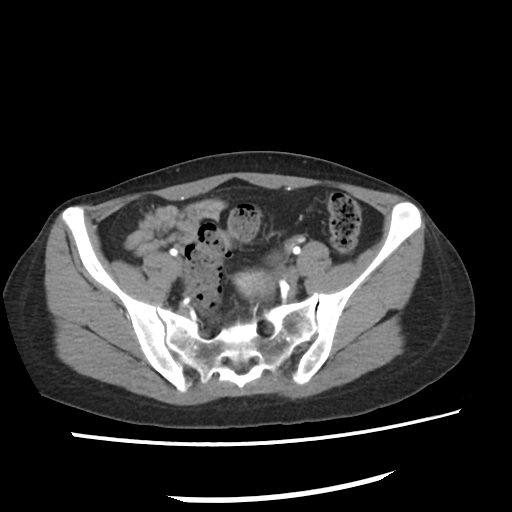

CT abdomen · axial view · 512x512 px
Boxes: x1:y1:x2:y2 in pixels.
Organ bounding boxes:
- prostate/uterus: 236:271:273:300